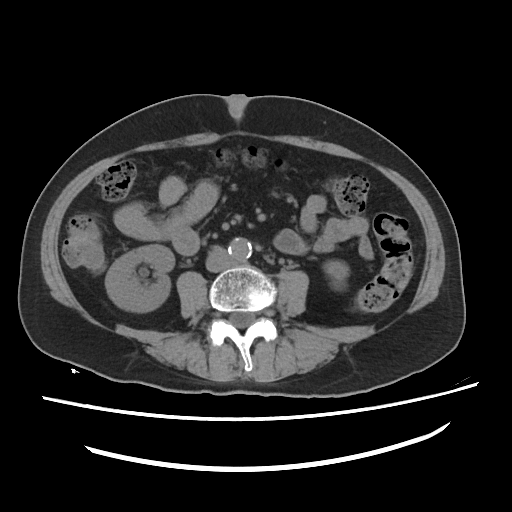
Computed tomography, abdomen · axial plane, index 45 · soft-tissue window (W 400 / L 40) · 61-year-old female patient
Bounding boxes as [x1, y1, x2, y2] in pixel coordinates.
Organ bounding boxes:
- aorta: [228, 237, 251, 260]
- right kidney: [105, 244, 174, 312]
- left kidney: [326, 260, 348, 278]
- inferior vena cava: [206, 247, 233, 272]